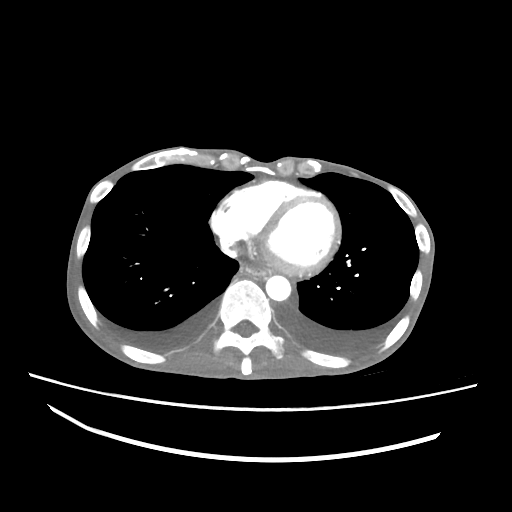
Abdominal CT; this slice is in the lower chest, just above the liver; axial plane, index 82; 512x512 px; 15 organs annotated in this scan (counted over the whole 3D scan, not this slice; an organ is boxed only where this slice passes through it)
The heart and lungs are never labeled in this dataset, so they have no box on this slice.
{"organs":{"esophagus":[240,262,271,276],"aorta":[265,275,291,301],"inferior vena cava":[222,245,234,256]}}